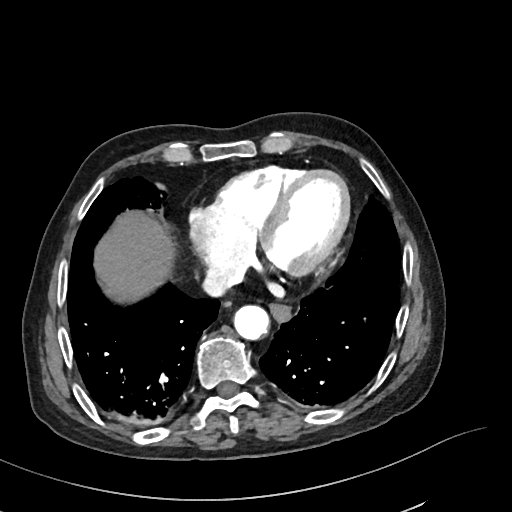

Computed tomography, abdomen — axial view — W/L 400/40 HU — 15 organs annotated in this scan (counted over the whole 3D scan, not this slice; an organ is boxed only where this slice passes through it)
<organs><organ name="aorta" x1="233" y1="305" x2="269" y2="340"/><organ name="liver" x1="96" y1="211" x2="172" y2="300"/><organ name="inferior vena cava" x1="206" y1="267" x2="235" y2="294"/><organ name="esophagus" x1="269" y1="304" x2="290" y2="322"/></organs>